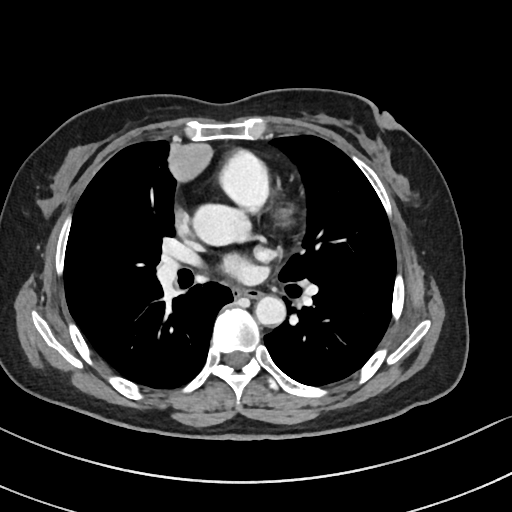

Chest-level slice from an abdominal CT that extends up into the chest; axial view; soft-tissue window, W/L 400/40; 512x512 px; scan has 14 labeled organs (counted over the whole 3D scan, not this slice; an organ is boxed only where this slice passes through it)
On a slice this high in the chest, this dataset labels only the esophagus and the aorta, and each is boxed only where it is labeled; the heart, lungs and other chest structures are not labeled. Boxes: x1:y1:x2:y2 in pixels. 2 labeled organs on this slice — esophagus at 234:289:260:298; aorta at 192:204:249:245; aorta at 256:295:286:325.